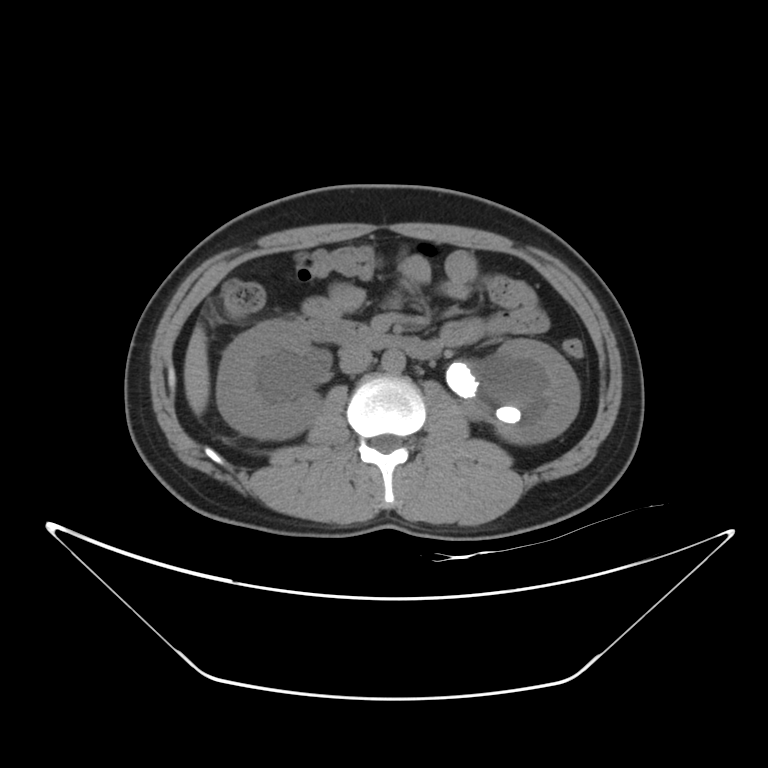
Abdominal CT · axial view
Boxes are (x1, y1, x2, y2) in pixels.
right kidney: (216, 319, 320, 439)
left kidney: (494, 338, 580, 443)
liver: (183, 324, 209, 415)
aorta: (382, 350, 404, 373)
inferior vena cava: (339, 349, 372, 373)
duodenum: (297, 318, 440, 359)